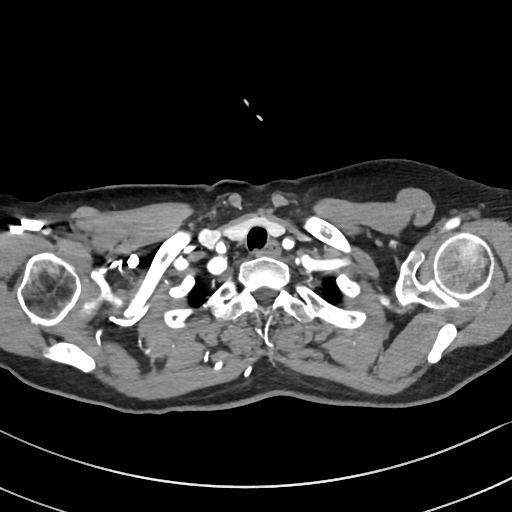
Chest-level slice from an abdominal CT that extends up into the chest; axial view; acquired on SOMATOM Force
On a slice this high in the chest, this dataset labels only the esophagus and the aorta, and each is boxed only where it is labeled; the heart, lungs and other chest structures are not labeled.
Organ boxes in pixel coordinates; each row gives the top-left (x1, y1) and bottom-right (x2, y2) corners.
| organ | x1 | y1 | x2 | y2 |
|---|---|---|---|---|
| esophagus | 255 | 241 | 281 | 257 |